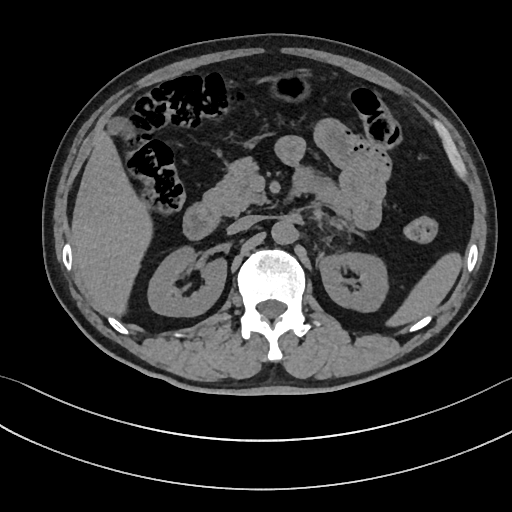
CT abdomen. axial view. soft-tissue window (W 400 / L 40). 512x512 px
Boxes: x1 y1 x2 y2 (pixel coords, space-separated).
pancreas: 202 159 265 215
duodenum: 183 201 217 238
spleen: 384 252 463 327
aorta: 271 220 296 245
right kidney: 148 248 226 316
stomach: 272 72 309 102
inferior vena cava: 227 215 259 233
liver: 71 135 153 316
gall bladder: 109 116 129 136
left kidney: 318 253 386 312